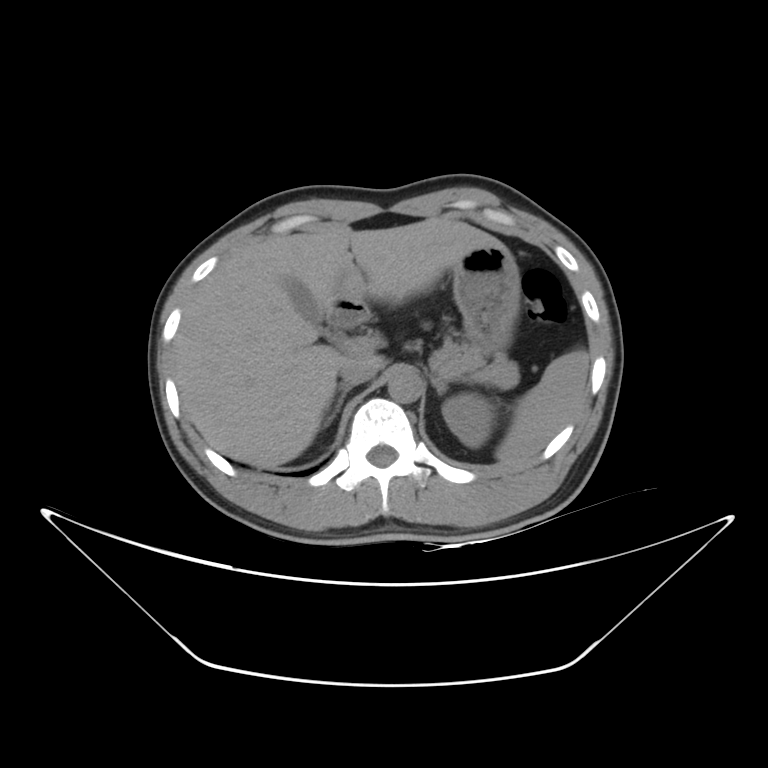

CT abdomen. axial view
<organs><organ name="spleen" x1="495" y1="350" x2="589" y2="463"/><organ name="left kidney" x1="442" y1="394" x2="492" y2="447"/><organ name="gall bladder" x1="286" y1="279" x2="332" y2="338"/><organ name="liver" x1="172" y1="217" x2="499" y2="467"/><organ name="stomach" x1="339" y1="243" x2="520" y2="355"/><organ name="aorta" x1="387" y1="368" x2="421" y2="403"/><organ name="inferior vena cava" x1="339" y1="360" x2="377" y2="384"/><organ name="pancreas" x1="433" y1="335" x2="519" y2="389"/><organ name="right adrenal gland" x1="324" y1="382" x2="354" y2="427"/><organ name="left adrenal gland" x1="430" y1="377" x2="447" y2="395"/><organ name="duodenum" x1="326" y1="296" x2="371" y2="329"/></organs>